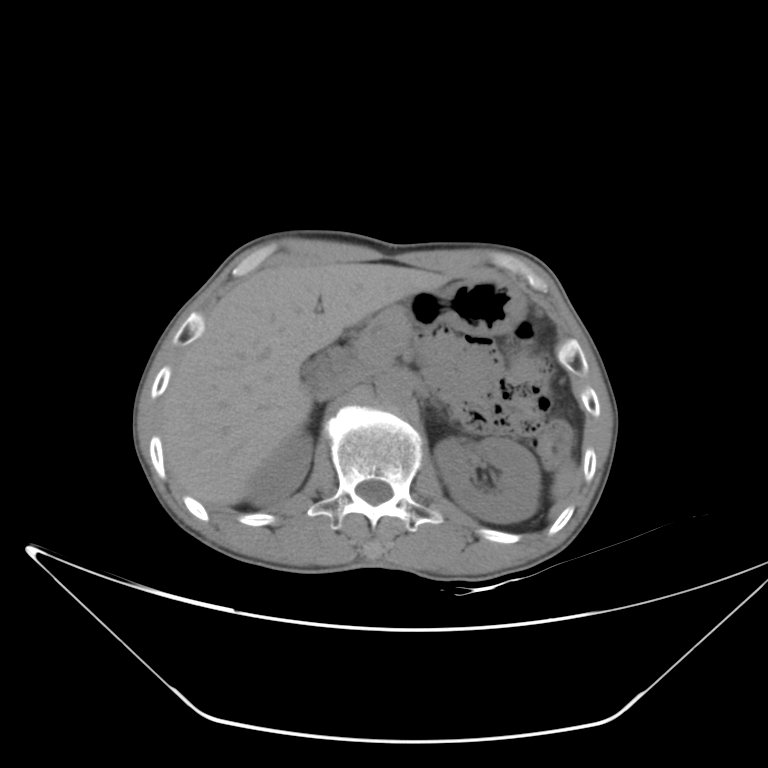

Abdominal CT — axial view — 768x768 px
One row per box, in pixels: columns x1 and y1 give the top-left corner, x2 and y2 the bottom-right.
| organ | x1 | y1 | x2 | y2 |
|---|---|---|---|---|
| spleen | 550 | 461 | 578 | 499 |
| inferior vena cava | 320 | 379 | 356 | 398 |
| right kidney | 246 | 432 | 312 | 506 |
| duodenum | 310 | 299 | 408 | 397 |
| stomach | 355 | 278 | 525 | 336 |
| liver | 160 | 262 | 451 | 506 |
| left kidney | 434 | 437 | 541 | 523 |
| pancreas | 353 | 314 | 413 | 364 |
| aorta | 378 | 373 | 411 | 408 |